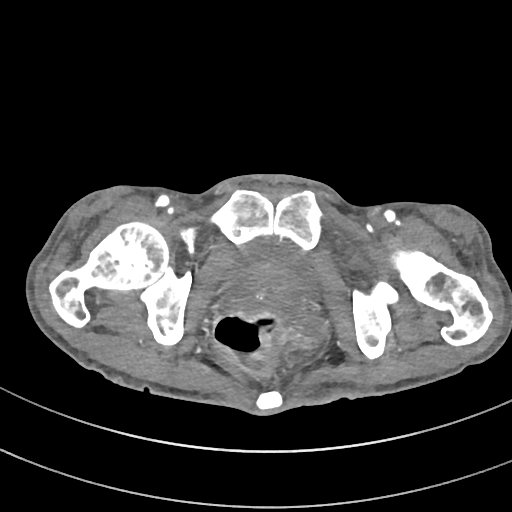

CT, abdomen/pelvis; axial plane, index 8
{"organs":{"bladder":[234,240,313,286],"prostate/uterus":[234,267,302,312]}}